CT abdomen · axial view · soft-tissue window (W 400 / L 40) · acquired on SOMATOM Force
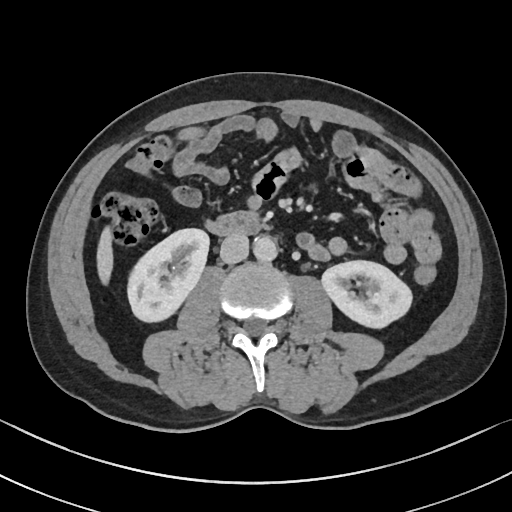 One row per box, in pixels: columns x1 and y1 give the top-left corner, x2 and y2 the bottom-right.
| organ | x1 | y1 | x2 | y2 |
|---|---|---|---|---|
| right kidney | 128 | 228 | 208 | 320 |
| left kidney | 322 | 260 | 410 | 326 |
| liver | 98 | 226 | 113 | 282 |
| aorta | 253 | 236 | 277 | 261 |
| inferior vena cava | 220 | 233 | 248 | 263 |
| duodenum | 213 | 211 | 261 | 234 |